Abdominal CT reaching into the chest; this slice is in the chest · axial plane, index 239 · soft-tissue window, W/L 400/40 · 512x512 px
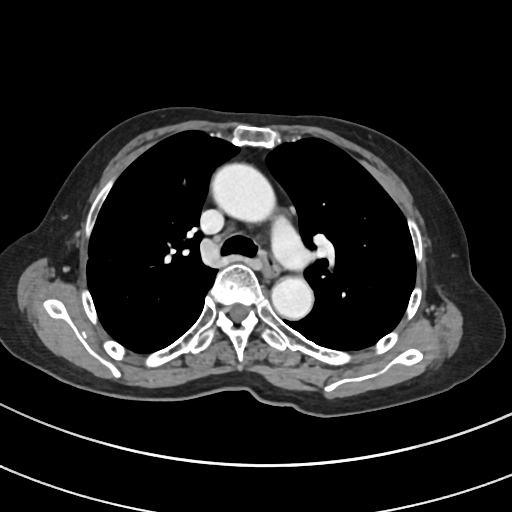
At this level of the chest no structure but the esophagus and the aorta has a label in this dataset, and those two are boxed only where they are labeled.
Boxes: x1 y1 x2 y2 (pixel coords, space-separated).
Organ bounding boxes:
- esophagus: 261 250 279 275
- aorta: 212 164 277 224
- aorta: 271 274 313 318